CT abdomen; axial view; soft-tissue window; 15 organs annotated in this scan (counted over the whole 3D scan, not this slice; an organ is boxed only where this slice passes through it)
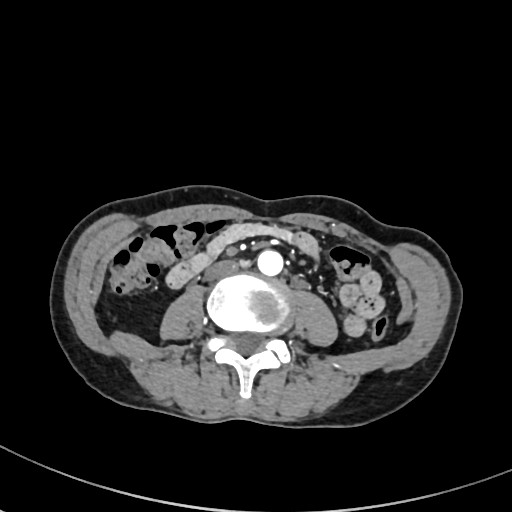 <organs><organ name="aorta" x1="257" y1="249" x2="283" y2="275"/><organ name="inferior vena cava" x1="204" y1="260" x2="238" y2="280"/></organs>